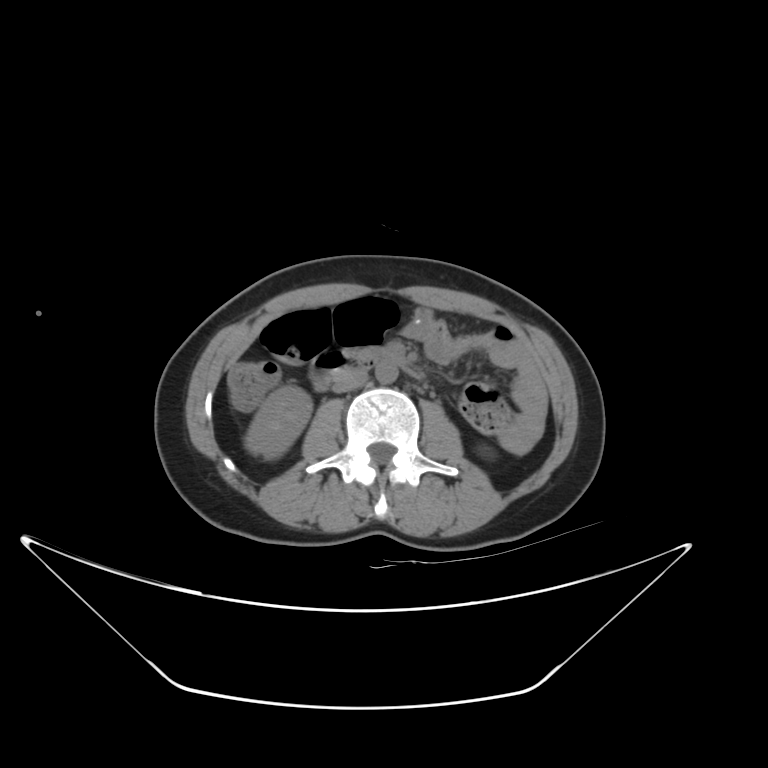 CT, abdomen/pelvis · Axial slice 60/99 · 768x768 px
{"organs":{"pancreas":[358,347,406,364],"right kidney":[244,385,311,459],"inferior vena cava":[332,370,368,393],"aorta":[375,360,398,383],"duodenum":[310,350,418,391]}}